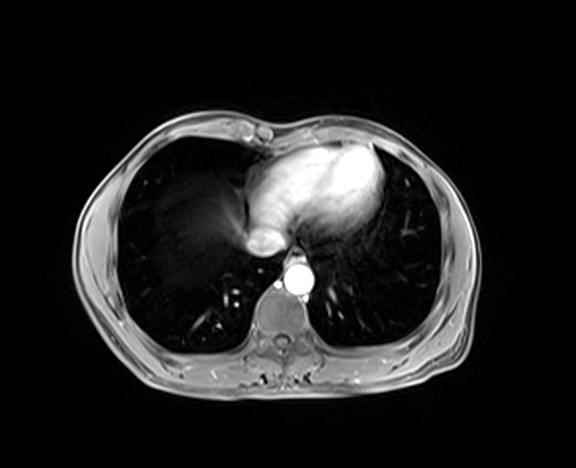

MRI of the abdomen reaching into the lower chest, slice just above the liver and spleen — Axial slice 70/72 — 576x468 px
No part of the heart or lungs is labeled in this dataset, so neither has a box here. Boxes are (x1, y1, x2, y2) in pixels. Labeled organs on this slice: aorta at (284, 265, 313, 294), inferior vena cava at (247, 227, 284, 255), esophagus at (286, 249, 303, 265).